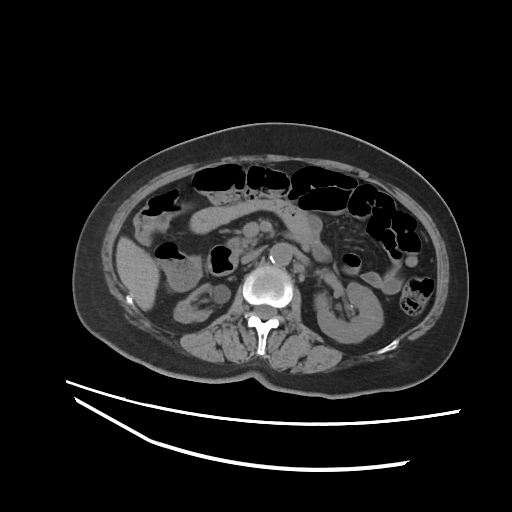 Computed tomography, abdomen · Axial slice 57/84 · abdomen soft-tissue window
{"organs":{"liver":[116,237,159,310],"inferior vena cava":[241,248,262,263],"pancreas":[227,236,258,253],"right kidney":[174,293,210,323],"aorta":[269,243,292,265],"left kidney":[314,282,383,343],"duodenum":[207,235,300,275]}}